Computed tomography, abdomen; axial view; W/L 400/40 HU; 512x512 px; acquired on SOMATOM Force
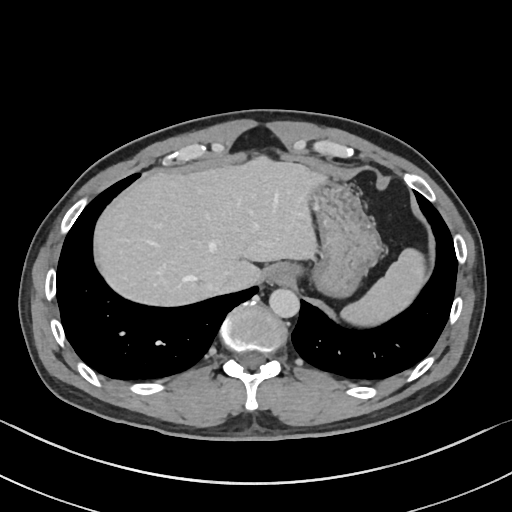
Bounding boxes in pixels, one row per box: x1, y1 is the top-left corner and x2, y2 the bottom-right.
| organ | x1 | y1 | x2 | y2 |
|---|---|---|---|---|
| spleen | 339 | 247 | 423 | 325 |
| esophagus | 267 | 263 | 301 | 284 |
| liver | 93 | 158 | 329 | 304 |
| stomach | 309 | 182 | 382 | 299 |
| aorta | 269 | 288 | 299 | 318 |
| inferior vena cava | 207 | 273 | 232 | 291 |